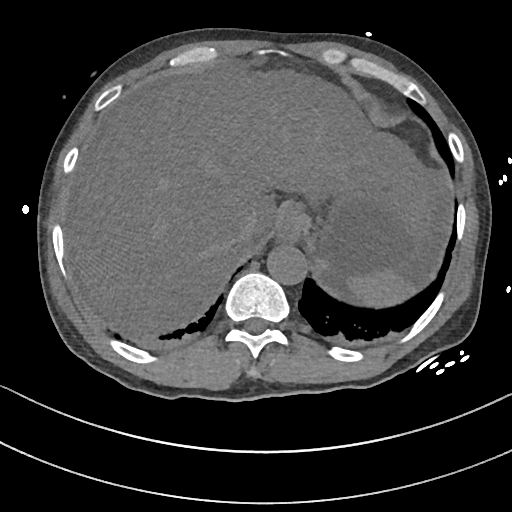 Abdominal CT. axial view. 512x512 px. scan has 15 labeled organs (counted over the whole 3D scan, not this slice; an organ is boxed only where this slice passes through it)
<organs><organ name="spleen" x1="348" y1="269" x2="414" y2="307"/><organ name="esophagus" x1="276" y1="201" x2="304" y2="242"/><organ name="liver" x1="67" y1="66" x2="430" y2="335"/><organ name="stomach" x1="286" y1="191" x2="438" y2="278"/><organ name="aorta" x1="267" y1="244" x2="307" y2="285"/><organ name="inferior vena cava" x1="234" y1="218" x2="255" y2="248"/></organs>